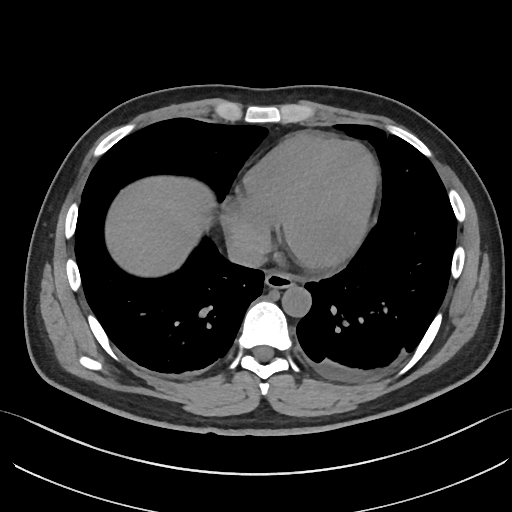

Abdominal CT. axial view
Each box given as x1,y1,x2,y2.
Organ bounding boxes:
- esophagus: x1=265, y1=272, x2=292, y2=288
- liver: x1=107, y1=175, x2=216, y2=275
- aorta: x1=281, y1=285, x2=311, y2=317
- inferior vena cava: x1=228, y1=237, x2=265, y2=267